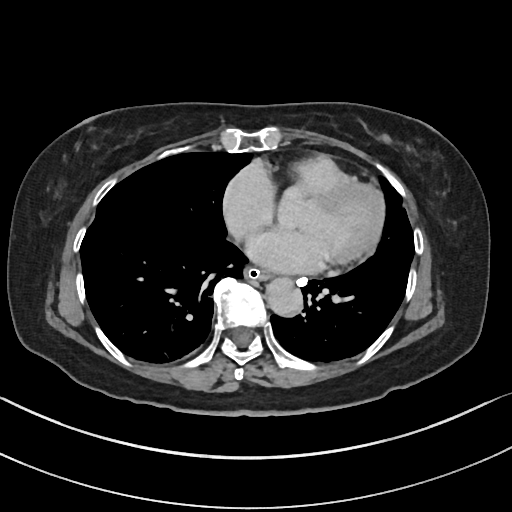

Lower-chest slice from an abdominal CT, just above the liver and spleen — Axial slice 208/212
The heart and lungs are never labeled in this dataset, so they have no box on this slice.
Bounding boxes in pixels, one row per box: x1, y1 is the top-left corner and x2, y2 the bottom-right.
| organ | x1 | y1 | x2 | y2 |
|---|---|---|---|---|
| aorta | 265 | 276 | 302 | 315 |
| esophagus | 246 | 268 | 270 | 280 |